Abdominal CT · axial plane, index 90
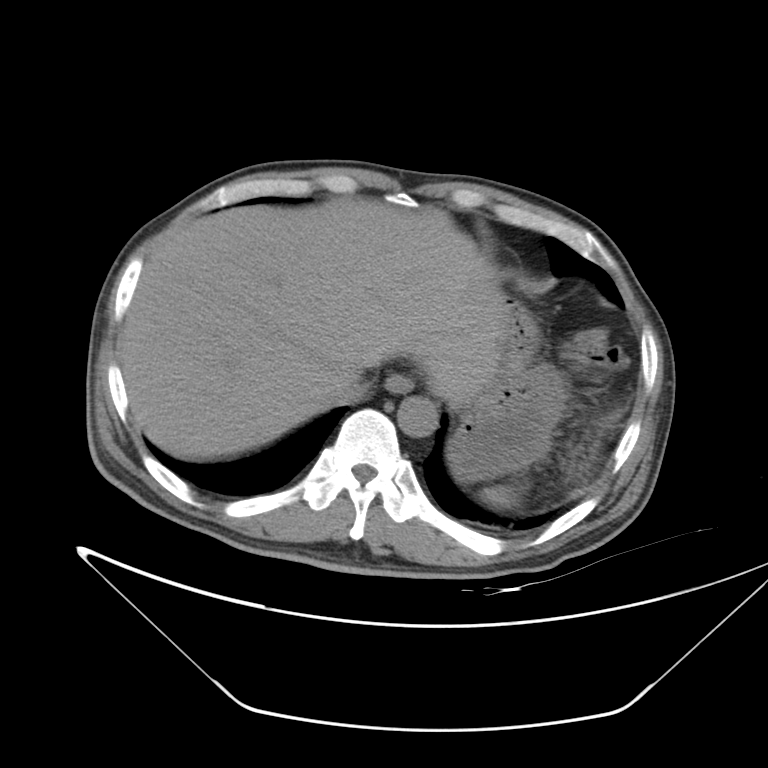

Boxes are (x1, y1, x2, y2) in pixels.
spleen: (480, 485, 515, 507)
esophagus: (386, 375, 412, 393)
liver: (118, 198, 507, 459)
stomach: (448, 302, 566, 482)
aorta: (397, 397, 437, 437)
inferior vena cava: (328, 373, 368, 405)